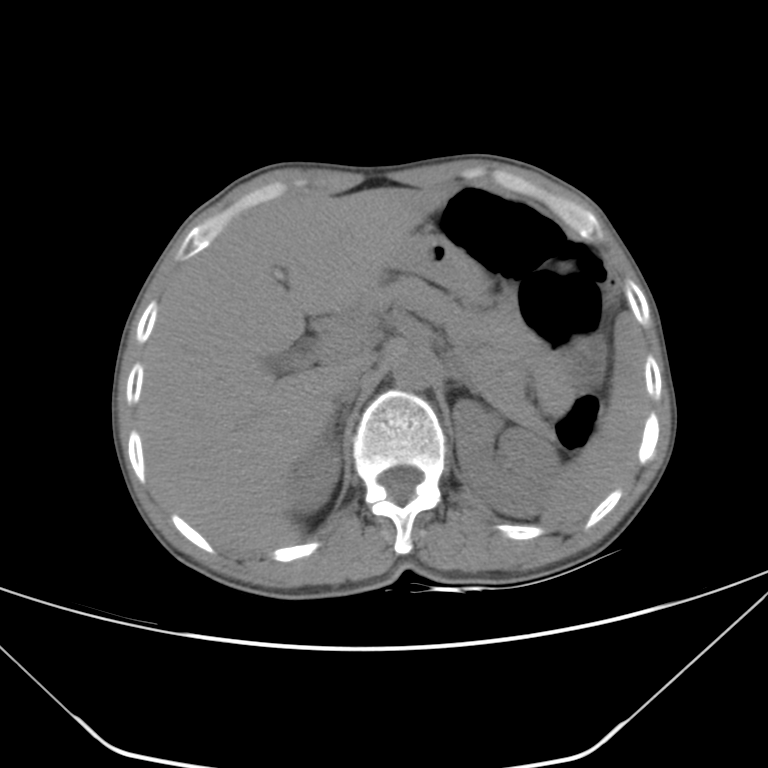 CT, abdomen/pelvis. axial view. 768x768 px
<organs><organ name="spleen" x1="542" y1="312" x2="645" y2="527"/><organ name="right kidney" x1="285" y1="438" x2="339" y2="514"/><organ name="left kidney" x1="453" y1="399" x2="561" y2="517"/><organ name="liver" x1="139" y1="188" x2="452" y2="554"/><organ name="stomach" x1="399" y1="231" x2="489" y2="304"/><organ name="aorta" x1="391" y1="342" x2="438" y2="390"/><organ name="inferior vena cava" x1="337" y1="361" x2="370" y2="395"/><organ name="pancreas" x1="362" y1="275" x2="535" y2="414"/><organ name="right adrenal gland" x1="330" y1="387" x2="356" y2="428"/><organ name="left adrenal gland" x1="453" y1="372" x2="477" y2="393"/></organs>